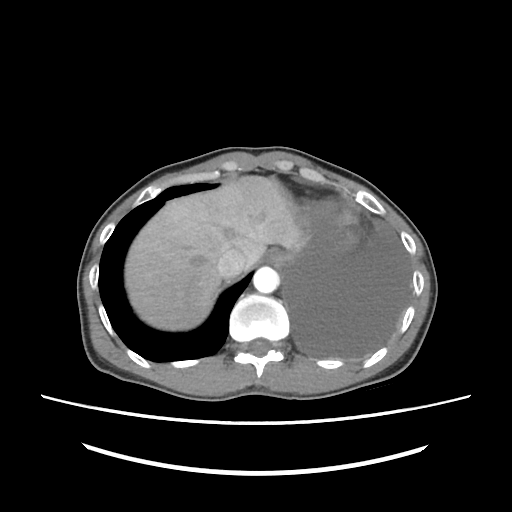 Computed tomography, abdomen — axial plane, index 75 — soft-tissue window
<organs><organ name="esophagus" x1="266" y1="250" x2="281" y2="263"/><organ name="liver" x1="125" y1="176" x2="305" y2="330"/><organ name="aorta" x1="253" y1="266" x2="279" y2="293"/><organ name="inferior vena cava" x1="216" y1="249" x2="246" y2="278"/></organs>